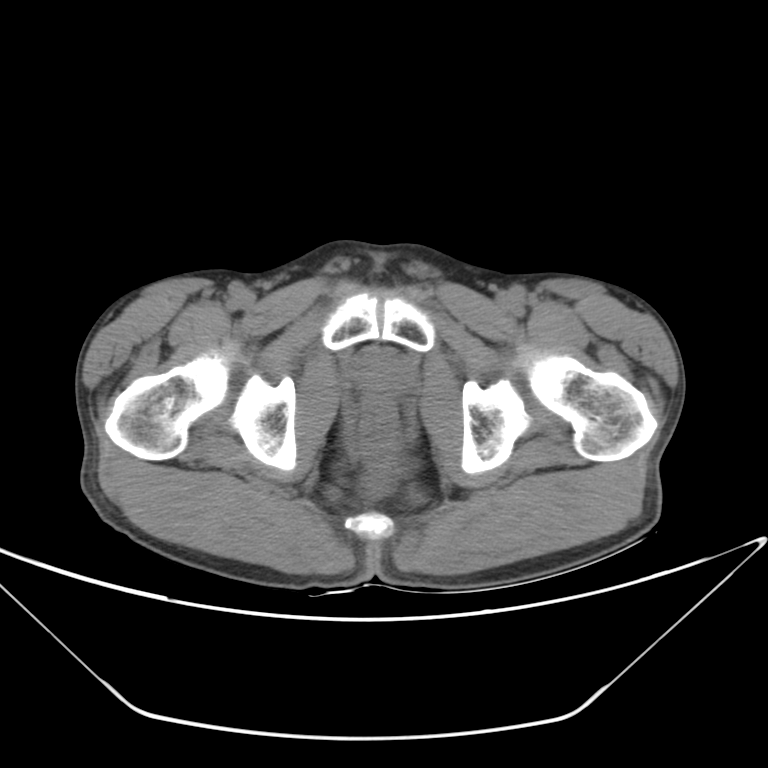 Computed tomography, abdomen; Axial slice 15/79; 53-year-old male patient; scan has 15 labeled organs (a whole-scan count: organs this slice does not pass through have no box)
<organs><organ name="prostate/uterus" x1="357" y1="352" x2="410" y2="398"/></organs>